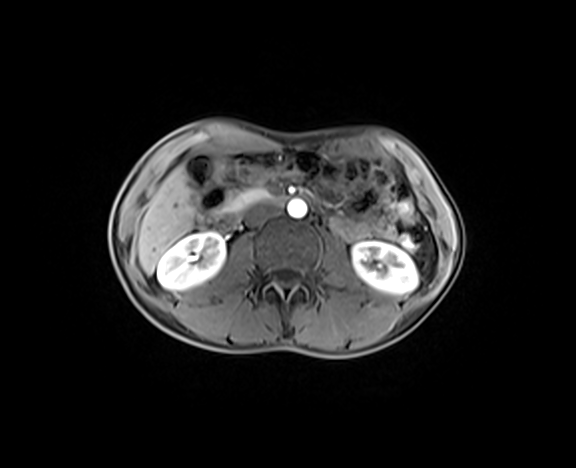 Magnetic resonance imaging, abdomen — axial view — 576x468 px — 13 organs annotated in this scan (counted over the whole 3D scan, not this slice; an organ is boxed only where this slice passes through it)
Boxes: x1 y1 x2 y2 (pixel coords, space-separated). The annotated organs in this slice are: right kidney at 157 232 225 290, left kidney at 352 241 417 293, liver at 137 166 196 274, aorta at 287 199 306 218, inferior vena cava at 245 202 281 226, pancreas at 223 187 270 213, duodenum at 205 193 289 230.